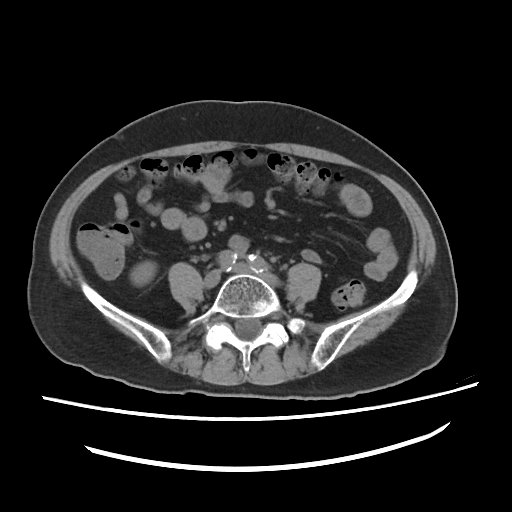

CT, abdomen/pelvis. axial plane, index 39. soft-tissue window. 61-year-old female patient. scan has 14 labeled organs (counted over the whole 3D scan, not this slice; an organ is boxed only where this slice passes through it)
Bounding boxes as [x1, y1, x2, y2] in pixel coordinates.
right kidney: [131, 261, 155, 283]